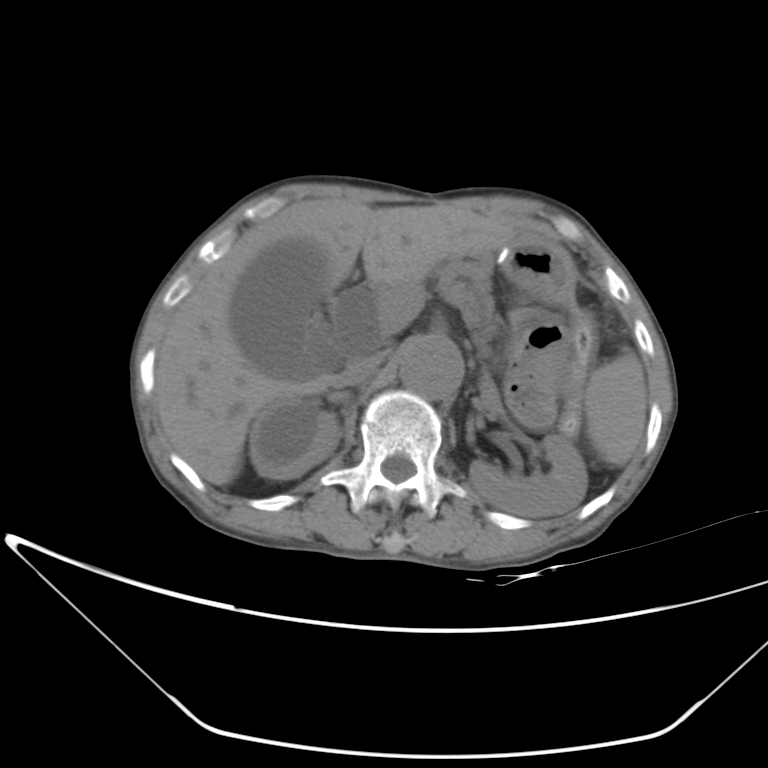
Abdominal CT. axial plane, index 60. 768x768 px. 66-year-old male patient. scan has 15 labeled organs (counted over the whole 3D scan, not this slice; an organ is boxed only where this slice passes through it)
Boxes are (x1, y1, x2, y2) in pixels.
Organ bounding boxes:
- spleen: (585, 355, 647, 467)
- right kidney: (248, 398, 340, 478)
- left kidney: (469, 434, 587, 517)
- gall bladder: (229, 240, 337, 377)
- liver: (154, 198, 519, 484)
- stomach: (497, 239, 575, 303)
- aorta: (399, 338, 463, 398)
- inferior vena cava: (336, 351, 384, 385)
- pancreas: (437, 260, 498, 351)
- right adrenal gland: (328, 391, 350, 403)